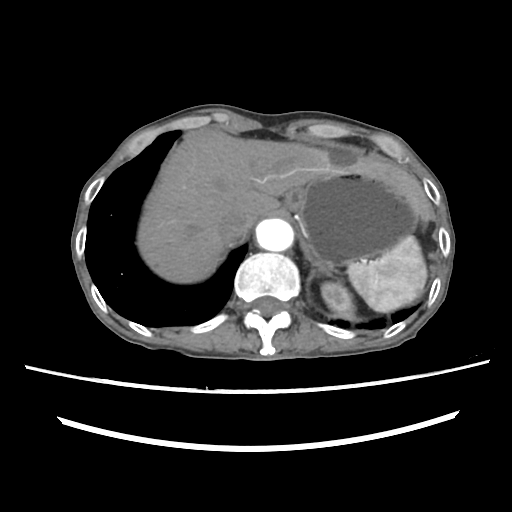 CT abdomen — axial view — 512x512 px — 81-year-old male patient — scan has 15 labeled organs (that count is for the whole scan; organs this slice misses have no box)
<organs><organ name="spleen" x1="347" y1="236" x2="427" y2="312"/><organ name="left kidney" x1="321" y1="282" x2="354" y2="319"/><organ name="esophagus" x1="283" y1="186" x2="304" y2="213"/><organ name="liver" x1="137" y1="130" x2="430" y2="283"/><organ name="stomach" x1="285" y1="172" x2="418" y2="269"/><organ name="aorta" x1="256" y1="218" x2="293" y2="251"/><organ name="inferior vena cava" x1="217" y1="212" x2="248" y2="243"/><organ name="left adrenal gland" x1="307" y1="267" x2="331" y2="280"/></organs>